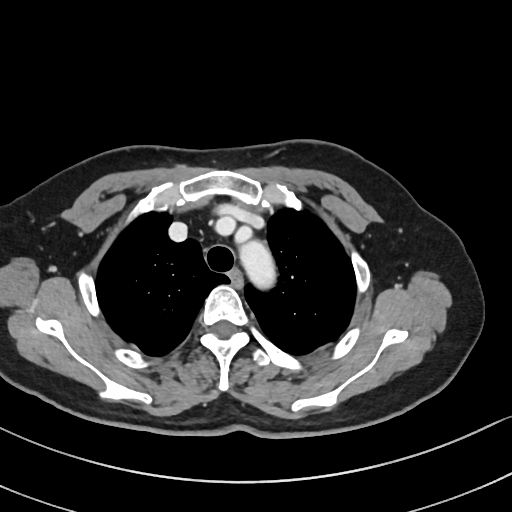

CT of the abdomen extending into the chest, slice through the chest; axial view; 512x512 px
On a slice this high in the chest, this dataset labels only the esophagus and the aorta, and each is boxed only where it is labeled; the heart, lungs and other chest structures are not labeled.
Bounding boxes as [x1, y1, x2, y2] in pixel coordinates.
aorta: [239, 240, 276, 289]
esophagus: [231, 272, 241, 285]